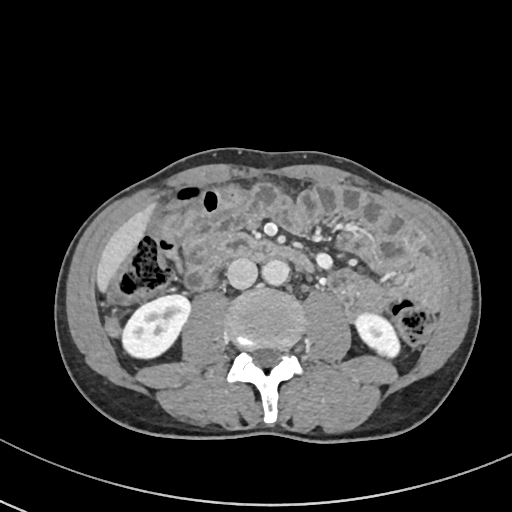
Abdominal CT — axial view — 512x512 px — SOMATOM Force scanner
Bounding boxes as [x1, y1, x2, y2] in pixel coordinates.
right kidney: [121, 294, 191, 360]
left kidney: [353, 311, 400, 360]
liver: [97, 201, 157, 291]
aorta: [263, 259, 290, 286]
inferior vena cava: [227, 258, 257, 288]
duodenum: [218, 234, 315, 274]